MRI, abdomen; axial plane, index 9; 1st–99th percentile window; 576x468 px
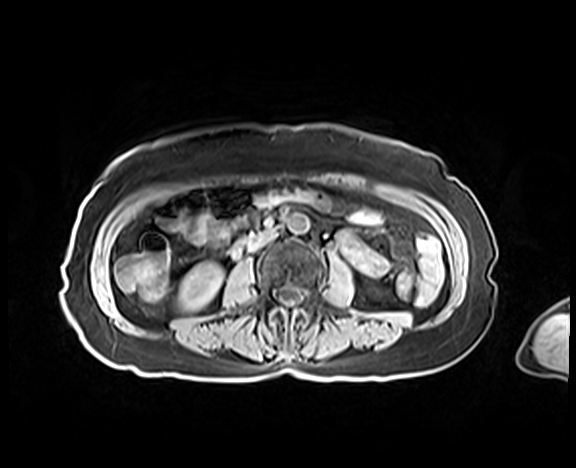 {"organs":{"aorta":[286,213,309,233],"right kidney":[177,262,223,310],"inferior vena cava":[249,230,276,250]}}